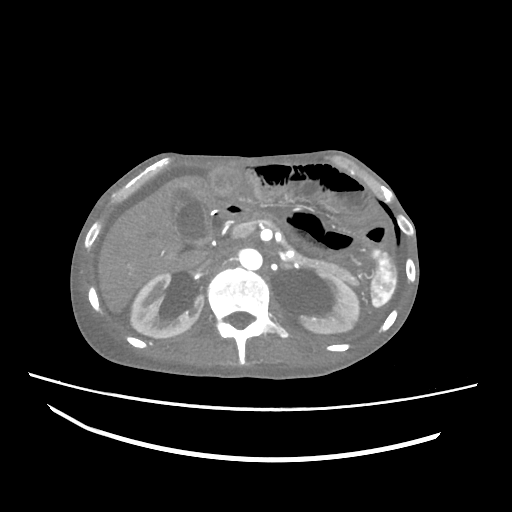 CT abdomen; axial view; abdomen soft-tissue window; 512x512 px; Aquilion ONE scanner
Bounding boxes as [x1, y1, x2, y2] in pixel coordinates.
spleen: [370, 249, 398, 307]
right kidney: [130, 274, 202, 338]
left kidney: [284, 272, 359, 333]
gall bladder: [174, 189, 209, 243]
liver: [98, 176, 221, 313]
aorta: [239, 248, 262, 270]
inferior vena cava: [201, 249, 225, 267]
pancreas: [292, 254, 357, 284]
duodenum: [211, 210, 225, 234]